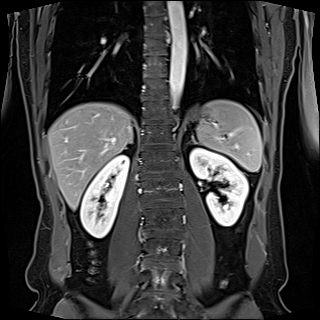

MRI, abdomen. Coronal slice 24/60. 320x320 px. acquired on Prisma
Organ boxes in pixel coordinates; each row gives the top-left (x1, y1) and bottom-right (x2, y2) corners.
| organ | x1 | y1 | x2 | y2 |
|---|---|---|---|---|
| spleen | 196 | 99 | 262 | 171 |
| right kidney | 80 | 154 | 129 | 238 |
| left kidney | 190 | 148 | 248 | 226 |
| liver | 47 | 102 | 132 | 209 |
| aorta | 168 | 1 | 186 | 106 |
| right adrenal gland | 126 | 139 | 133 | 148 |
| left adrenal gland | 192 | 136 | 198 | 144 |